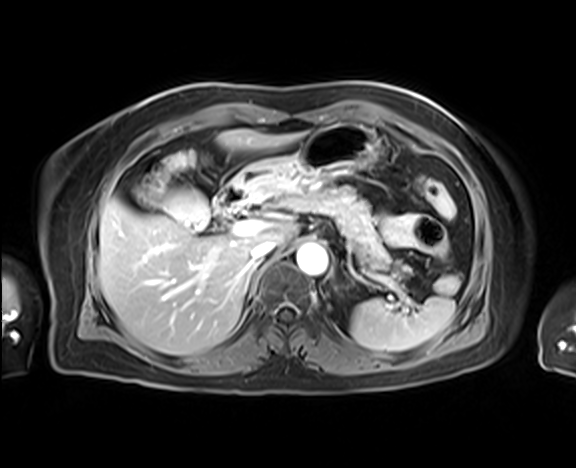
Abdominal MR · axial view · 1st–99th percentile window · Prisma scanner · 13 organs annotated in this scan (a whole-scan count: organs this slice does not pass through have no box)
One row per box, in pixels: columns x1 and y1 give the top-left corner, x2 and y2 the bottom-right.
| organ | x1 | y1 | x2 | y2 |
|---|---|---|---|---|
| duodenum | 212 | 181 | 252 | 229 |
| right adrenal gland | 243 | 261 | 262 | 296 |
| gall bladder | 137 | 186 | 210 | 230 |
| aorta | 296 | 243 | 327 | 275 |
| inferior vena cava | 250 | 239 | 277 | 263 |
| stomach | 230 | 122 | 377 | 199 |
| liver | 98 | 129 | 307 | 355 |
| spleen | 350 | 296 | 455 | 351 |
| pancreas | 280 | 188 | 415 | 279 |